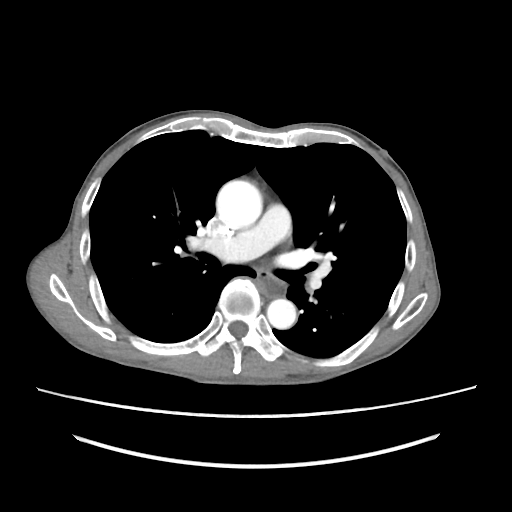
Chest-level CT slice, above the liver and spleen · axial view · soft-tissue window (W 400 / L 40) · 512x512 px
At this level of the chest this dataset labels only the esophagus and the aorta, and each is boxed only where it is labeled; the heart and lungs are never labeled.
One row per box, in pixels: columns x1 and y1 give the top-left corner, x2 and y2 the bottom-right.
| organ | x1 | y1 | x2 | y2 |
|---|---|---|---|---|
| esophagus | 258 | 273 | 285 | 297 |
| aorta | 216 | 180 | 262 | 229 |
| aorta | 267 | 298 | 296 | 329 |